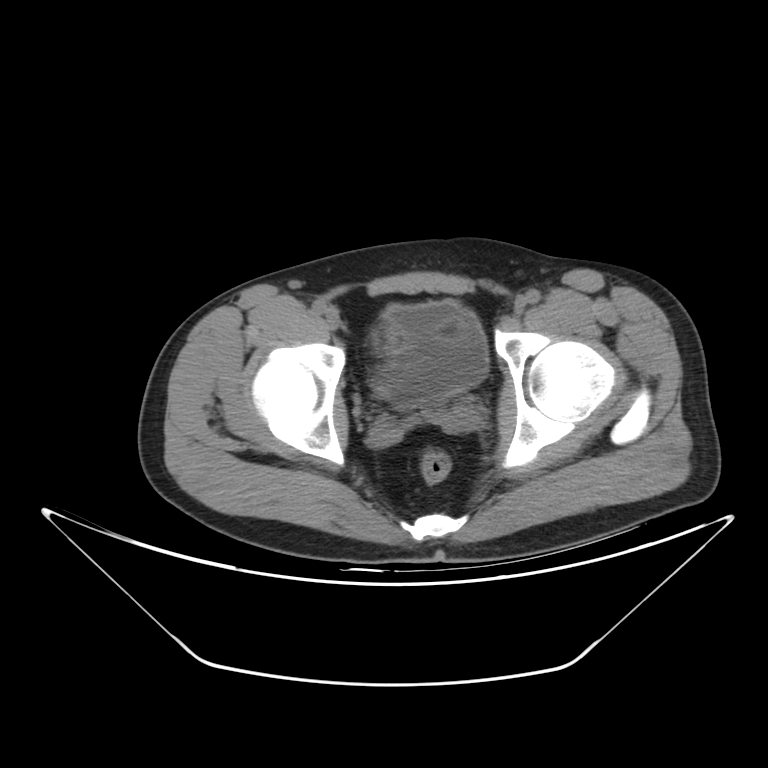
CT, abdomen/pelvis — axial view — 768x768 px — scan has 15 labeled organs (that count is for the whole scan; organs this slice misses have no box)
<organs><organ name="bladder" x1="377" y1="301" x2="488" y2="407"/></organs>